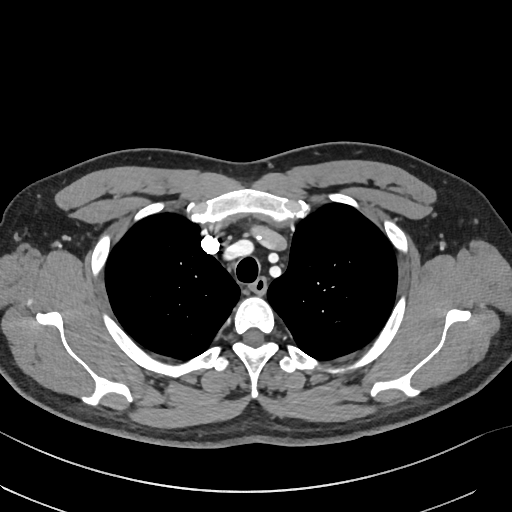

Chest-level CT slice, above the liver and spleen. axial plane, index 281
On a slice this high in the chest, this dataset labels only the esophagus and the aorta, and each is boxed only where it is labeled; the heart, lungs and other chest structures are not labeled. Bounding boxes as [x1, y1, x2, y2] in pixel coordinates. 1 labeled organ on this slice — esophagus at [249, 277, 266, 294].